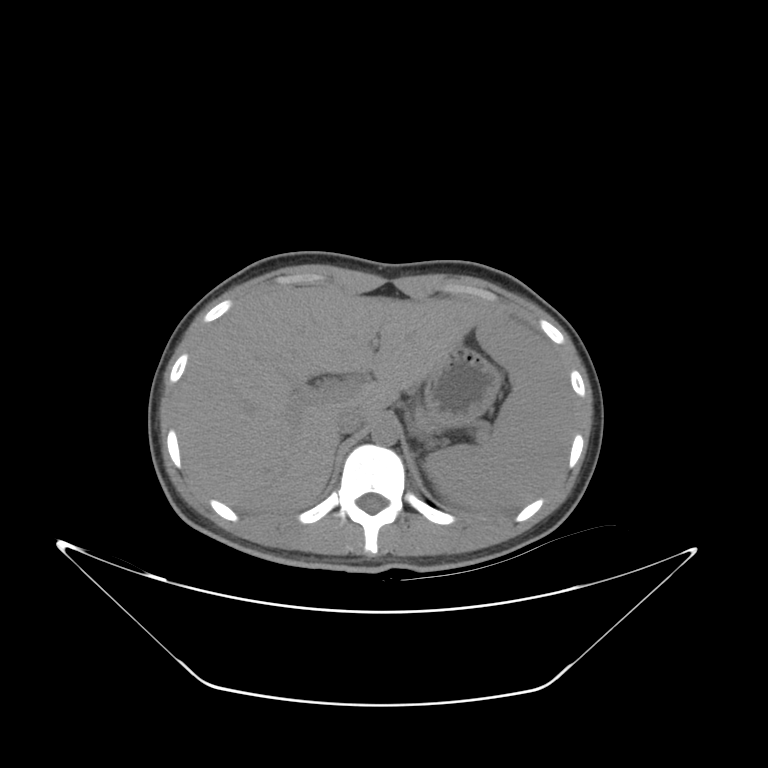

CT, abdomen/pelvis — axial view — abdomen soft-tissue window — 768x768 px — acquired on Brilliance16 — 15 organs annotated in this scan (that count is for the whole scan; organs this slice misses have no box)
Boxes: x1 y1 x2 y2 (pixel coords, space-separated).
inferior vena cava: 337 410 366 434
pancreas: 417 405 440 435
stomach: 424 349 497 430
aorta: 371 421 400 445
liver: 174 285 565 517
spleen: 425 313 572 509